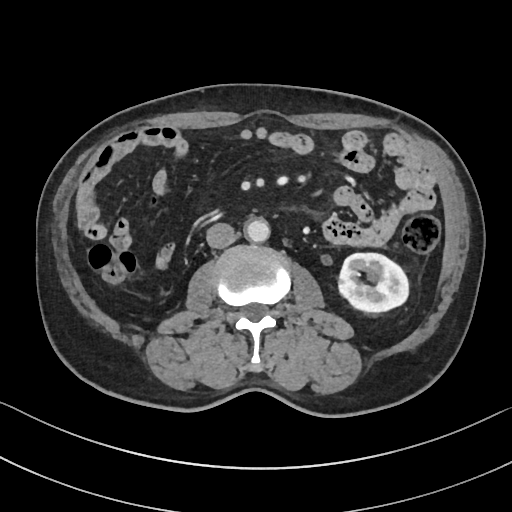 Computed tomography, abdomen; axial view; SOMATOM Force scanner
{"organs":{"left kidney":[339,253,408,312],"aorta":[244,218,269,242],"inferior vena cava":[206,222,235,248]}}